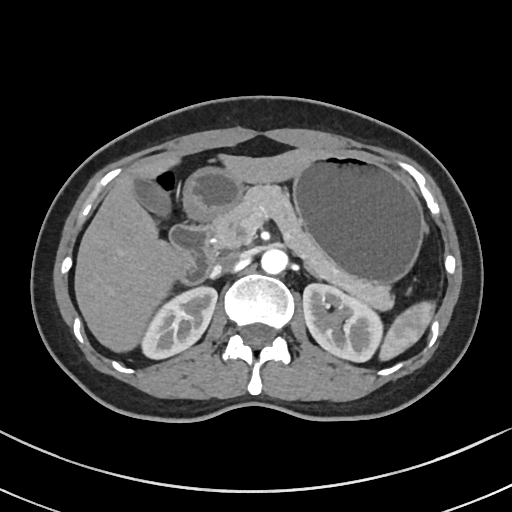 CT abdomen; axial view; abdomen soft-tissue window; 512x512 px
Boxes are (x1, y1, x2, y2) in pixels. 12 labeled organs on this slice — pancreas at (214, 185, 394, 312); left kidney at (303, 285, 382, 362); stomach at (184, 152, 426, 284); gall bladder at (133, 179, 172, 222); spleen at (379, 303, 437, 359); duodenum at (169, 218, 217, 283); aorta at (261, 249, 288, 275); inferior vena cava at (212, 253, 241, 276); liver at (74, 147, 331, 354); right kidney at (143, 287, 217, 359); right adrenal gland at (195, 279, 205, 283); left adrenal gland at (307, 268, 319, 279).